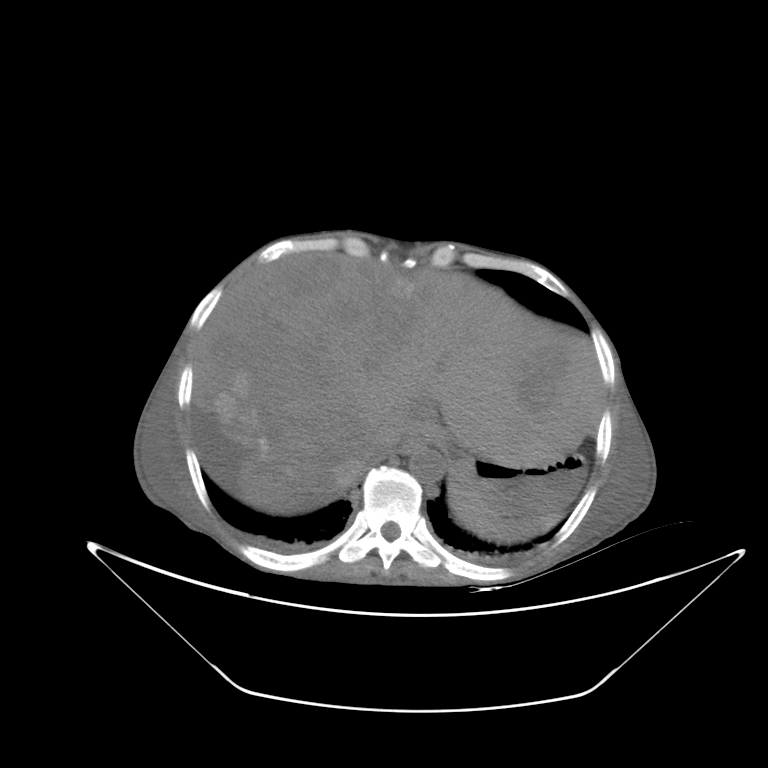
Computed tomography, abdomen; axial view; 56-year-old male patient; acquired on Brilliance16; scan has 15 labeled organs (counted over the whole 3D scan, not this slice; an organ is boxed only where this slice passes through it)
Coordinates as <box>x1,y1,x2,y2</box> in pixels.
spleen: <box>448,477,561,542</box>
esophagus: <box>394,423,439,455</box>
liver: <box>194,254,603,514</box>
stomach: <box>453,450,584,520</box>
aorta: <box>409,447,445,482</box>
inferior vena cava: <box>381,417,417,445</box>